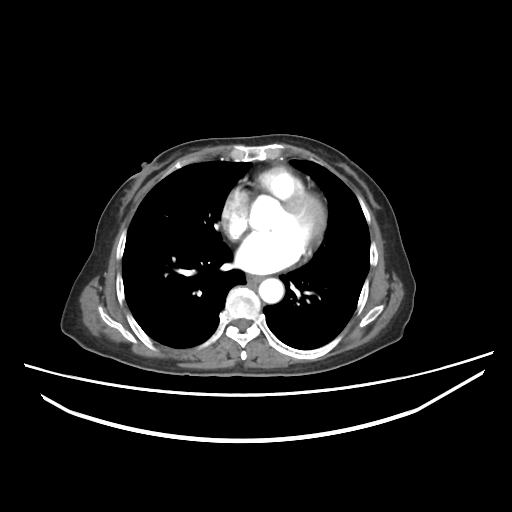 CT of the abdomen reaching into the lower chest, slice just above the liver and spleen. axial view. W/L 400/40 HU
The heart and lungs are never labeled in this dataset, so they have no box on this slice.
Coordinates as <box>x1,y1,x2,y2</box> in pixels.
Organ bounding boxes:
- esophagus: <box>247,274,262,283</box>
- aorta: <box>260,277,284,302</box>